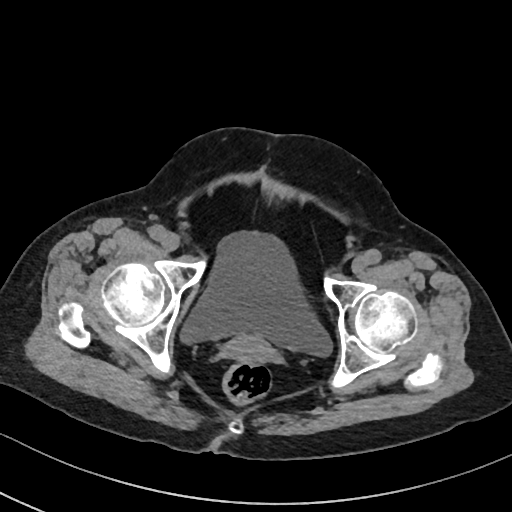

CT, abdomen/pelvis. axial plane, index 38. soft-tissue window (W 400 / L 40)
Box edges are left/top/right/bottom in pixels. 2 labeled organs on this slice — prostate/uterus at left=222, top=334, right=274, bottom=362; bladder at left=180, top=232, right=331, bottom=355.